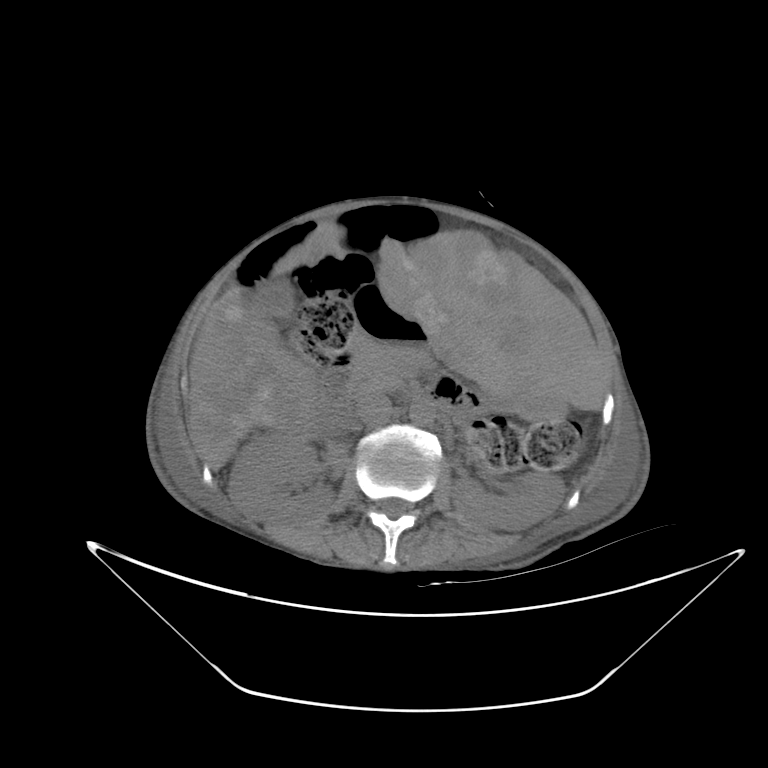
Computed tomography, abdomen · axial view · abdomen soft-tissue window · 768x768 px
Boxes are (x1, y1, x2, y2) in pixels.
left kidney: (453, 472, 563, 530)
duodenum: (321, 362, 477, 424)
stomach: (348, 279, 565, 421)
liver: (189, 224, 606, 468)
right kidney: (229, 432, 332, 523)
pancreas: (352, 342, 428, 390)
gall bladder: (253, 277, 294, 317)
aorta: (409, 397, 435, 426)
inferior vena cava: (356, 391, 392, 426)